Computed tomography, abdomen. axial view. abdomen soft-tissue window
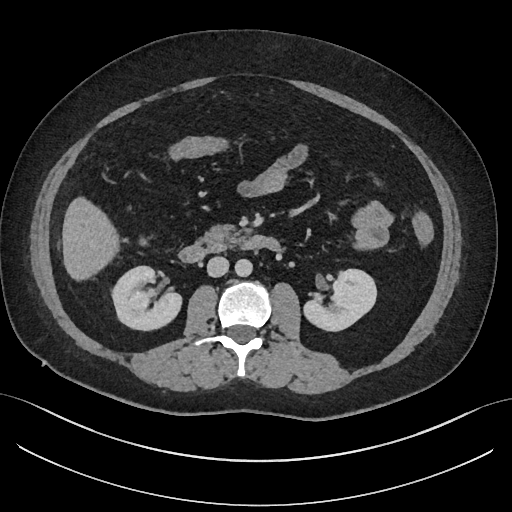
Boxes: x1 y1 x2 y2 (pixel coords, space-separated). Labeled organs on this slice: liver at 62 198 117 281, duodenum at 177 236 266 263, pancreas at 199 225 245 252, right kidney at 113 266 182 331, inferior vena cava at 207 257 228 276, left kidney at 302 269 376 331, aorta at 235 259 252 277.